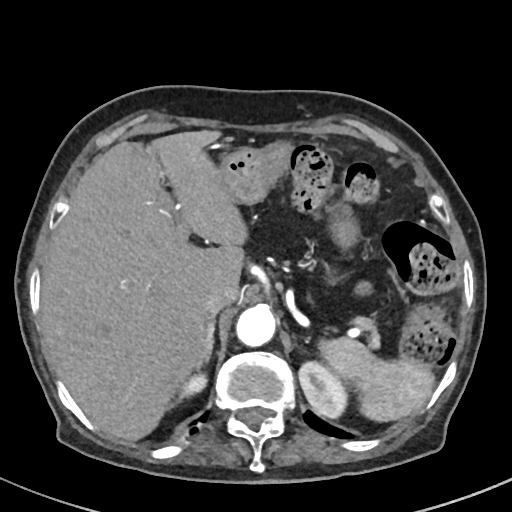 CT, abdomen/pelvis; Axial slice 160/279; soft-tissue window; 512x512 px; acquired on SOMATOM Force
Boxes: x1:y1:x2:y2 in pixels.
Organ bounding boxes:
- spleen: 318:338:435:422
- right kidney: 177:375:205:399
- left kidney: 300:362:348:419
- liver: 42:130:247:439
- stomach: 222:142:355:248
- aorta: 235:307:274:348
- inferior vena cava: 203:282:239:316
- pancreas: 353:316:377:346
- right adrenal gland: 196:319:214:367